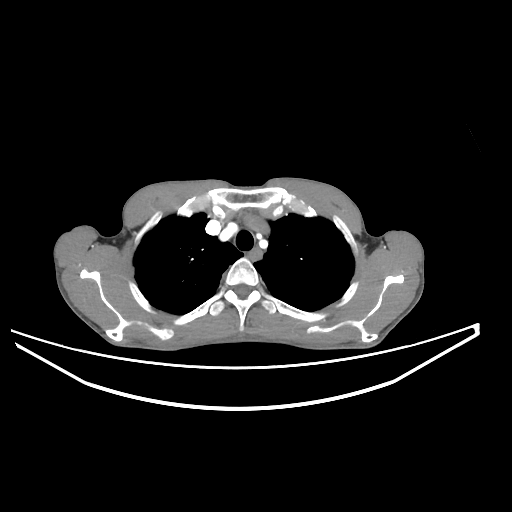 Abdominal CT reaching into the chest; this slice is in the chest · axial view · 60-year-old male patient
At this level of the chest this dataset labels only the esophagus and the aorta, and each is boxed only where it is labeled; the heart and lungs are never labeled.
<organs><organ name="esophagus" x1="248" y1="247" x2="261" y2="261"/></organs>